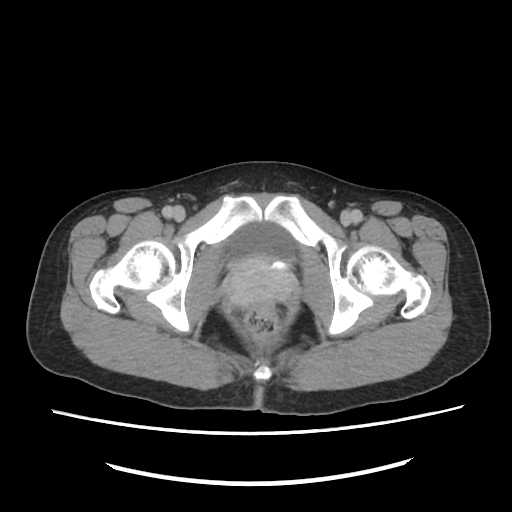 Computed tomography, abdomen · axial view · soft-tissue window (W 400 / L 40) · 512x512 px · 15 organs annotated in this scan (a whole-scan count: organs this slice does not pass through have no box)
{"organs":{"bladder":[224,222,294,273]}}